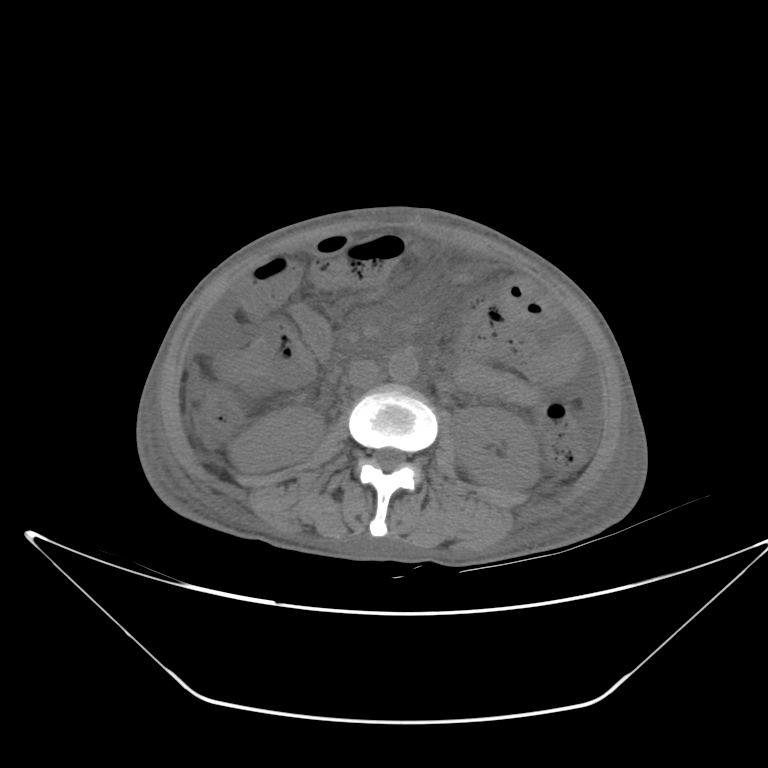
Computed tomography, abdomen; Axial slice 58/105; 56-year-old female patient; Brilliance16 scanner; scan has 15 labeled organs (a whole-scan count: organs this slice does not pass through have no box)
Coordinates as <box>x1,y1,x2,y2</box> in pixels.
aorta: <box>388,350,418,381</box>
left kidney: <box>452,407,539,492</box>
right kidney: <box>230,407,323,472</box>
inferior vena cava: <box>348,360,379,388</box>